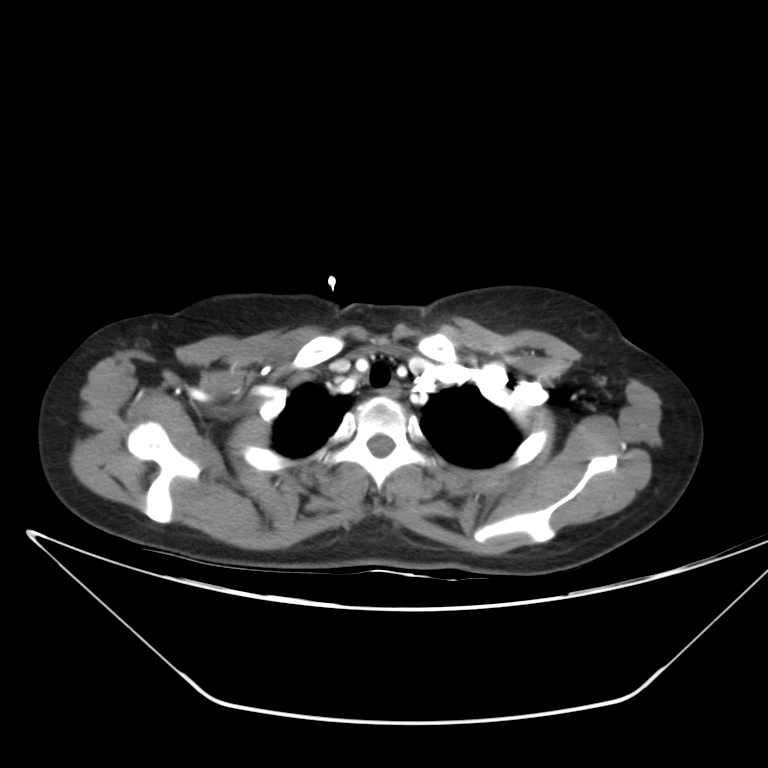

Abdominal CT reaching into the chest; this slice is in the chest. axial view. 34-year-old female patient
At this level of the chest no structure but the esophagus and the aorta has a label in this dataset, and those two are boxed only where they are labeled.
<organs><organ name="esophagus" x1="382" y1="382" x2="400" y2="397"/></organs>